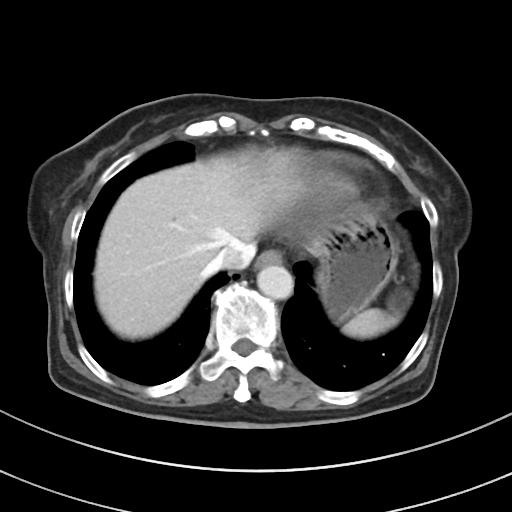

Computed tomography, abdomen · axial plane, index 77 · W/L 400/40 HU · 512x512 px · SOMATOM Force scanner
Boxes: x1 y1 x2 y2 (pixel coords, space-separated). The annotated organs in this slice are: spleen at 342 308 399 337, esophagus at 255 250 282 268, liver at 94 151 294 338, stomach at 315 209 397 321, aorta at 257 265 292 299, inferior vena cava at 215 240 255 269.